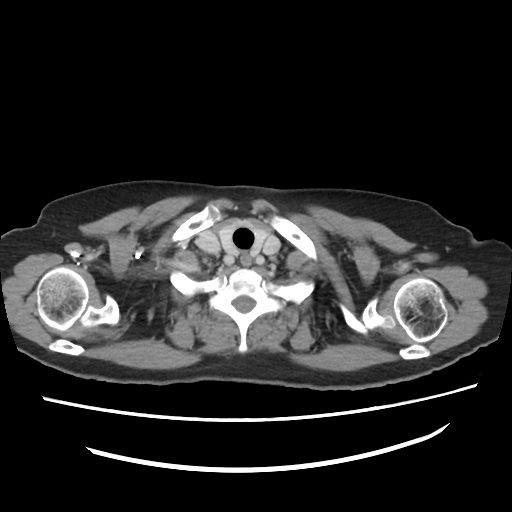 CT of the abdomen extending into the chest, slice through the chest · axial view · 512x512 px · acquired on Aquilion ONE · 14 organs annotated in this scan (counted over the whole 3D scan, not this slice; an organ is boxed only where this slice passes through it)
On a slice this high in the chest, this dataset labels only the esophagus and the aorta, and each is boxed only where it is labeled; the heart, lungs and other chest structures are not labeled.
<organs><organ name="esophagus" x1="240" y1="254" x2="251" y2="265"/></organs>